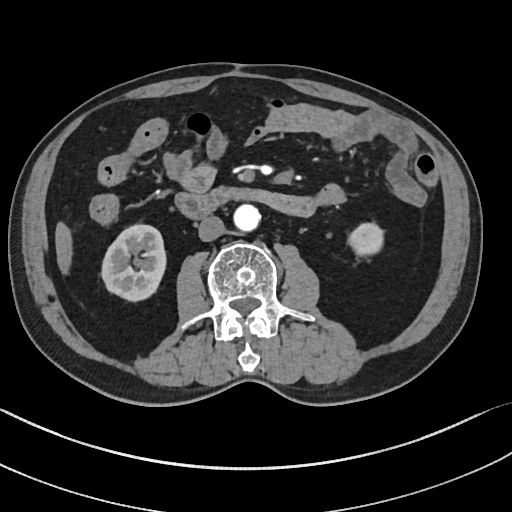
CT abdomen; Axial slice 127/306; 512x512 px
<organs><organ name="right kidney" x1="101" y1="224" x2="165" y2="301"/><organ name="left kidney" x1="348" y1="223" x2="383" y2="256"/><organ name="liver" x1="55" y1="222" x2="72" y2="274"/><organ name="aorta" x1="233" y1="204" x2="260" y2="231"/><organ name="inferior vena cava" x1="198" y1="215" x2="224" y2="241"/><organ name="duodenum" x1="174" y1="187" x2="313" y2="219"/></organs>